Computed tomography, abdomen. axial view. soft-tissue window (W 400 / L 40)
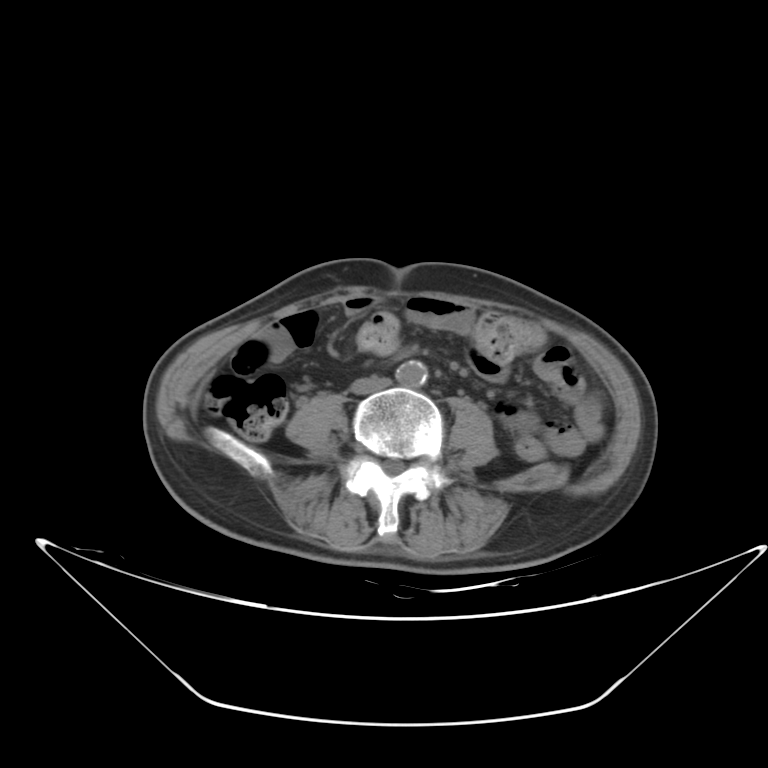 Bounding boxes as [x1, y1, x2, y2] in pixel coordinates. The annotated organs in this slice are: inferior vena cava at [349, 374, 391, 394], aorta at [396, 361, 426, 386].